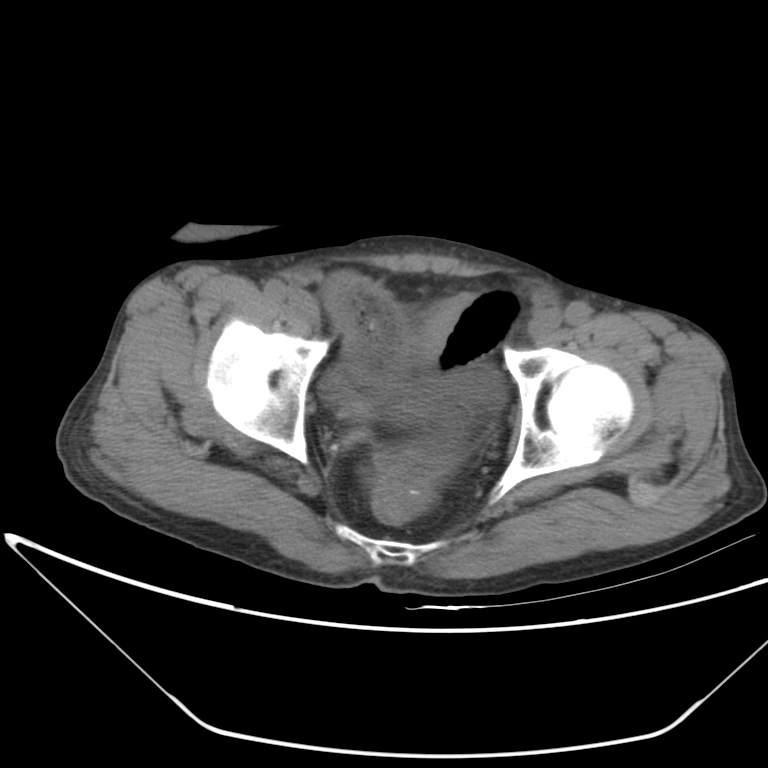 Abdominal CT · Axial slice 17/82 · 768x768 px · 66-year-old male patient · acquired on Brilliance16 · 15 organs annotated in this scan (a whole-scan count: organs this slice does not pass through have no box)
One row per box, in pixels: columns x1 and y1 give the top-left corner, x2 and y2 the bottom-right.
| organ | x1 | y1 | x2 | y2 |
|---|---|---|---|---|
| bladder | 326 | 367 | 502 | 423 |